Abdominal CT · axial view · soft-tissue window
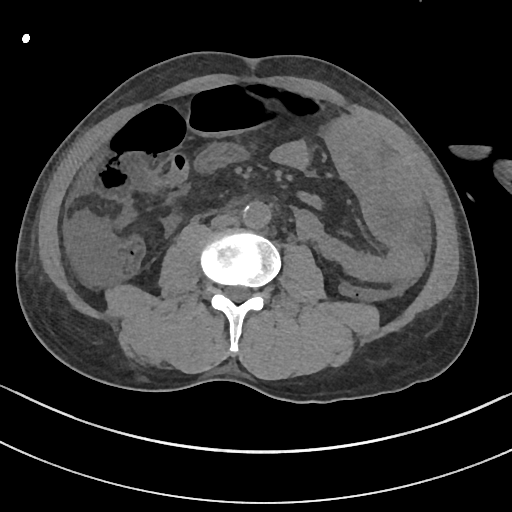

One row per box, in pixels: columns x1 and y1 give the top-left corner, x2 and y2 the bottom-right.
| organ | x1 | y1 | x2 | y2 |
|---|---|---|---|---|
| aorta | 242 | 201 | 271 | 228 |
| inferior vena cava | 211 | 214 | 237 | 228 |